Chest-level slice from an abdominal CT that extends up into the chest; axial view; soft-tissue window (W 400 / L 40); 62-year-old female patient
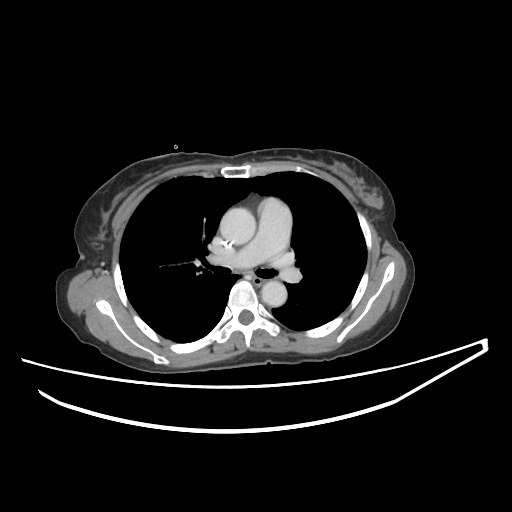
On a slice this high in the chest, this dataset labels only the esophagus and the aorta, and each is boxed only where it is labeled; the heart, lungs and other chest structures are not labeled.
Boxes: x1:y1:x2:y2 in pixels.
Organ bounding boxes:
- esophagus: 253:277:264:285
- aorta: 219:207:256:244
- aorta: 261:280:286:306